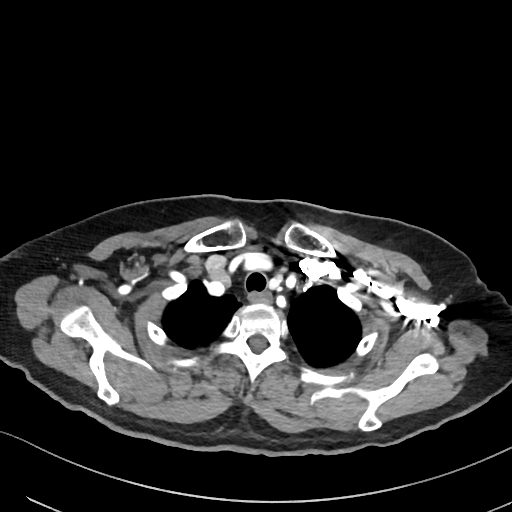

Chest-level slice from an abdominal CT that extends up into the chest · axial view · 512x512 px · SOMATOM Force scanner · 15 organs annotated in this scan (counted over the whole 3D scan, not this slice; an organ is boxed only where this slice passes through it)
At this level of the chest no structure but the esophagus and the aorta has a label in this dataset, and those two are boxed only where they are labeled. Bounding boxes as [x1, y1, x2, y2] in pixel coordinates. The annotated organs in this slice are: esophagus at [248, 292, 272, 303].